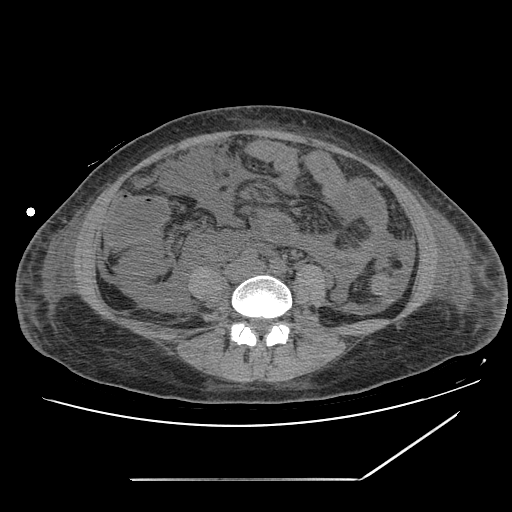
Computed tomography, abdomen. axial view. 512x512 px
<organs><organ name="aorta" x1="249" y1="255" x2="251" y2="257"/></organs>